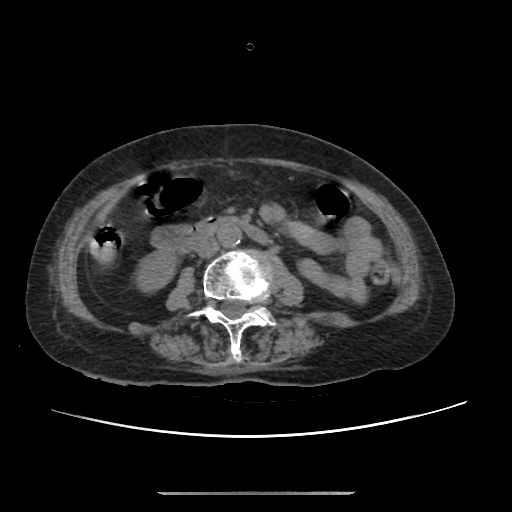

Computed tomography, abdomen. Axial slice 189/353. W/L 400/40 HU
Bounding boxes as [x1, y1, x2, y2] in pixel coordinates.
Organ bounding boxes:
- duodenum: [153, 219, 263, 250]
- right kidney: [139, 251, 175, 289]
- inferior vena cava: [197, 240, 219, 257]
- aorta: [218, 223, 242, 246]